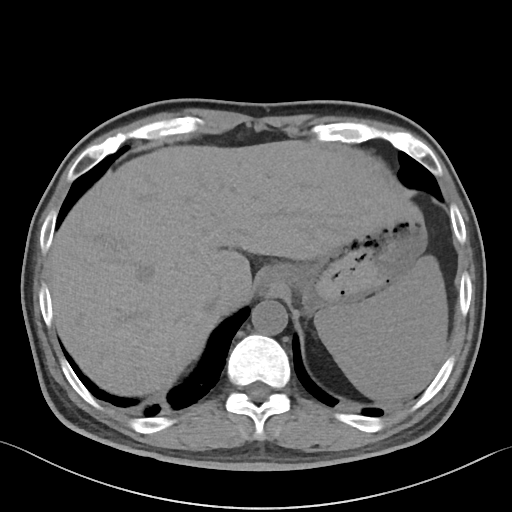

Computed tomography, abdomen · axial view · soft-tissue window (W 400 / L 40) · 512x512 px · acquired on SOMATOM Force
Boxes are (x1, y1, x2, y2) in pixels.
Organ bounding boxes:
- spleen: (314, 255, 447, 400)
- esophagus: (260, 288, 265, 291)
- liver: (48, 140, 430, 400)
- stomach: (259, 215, 426, 314)
- aorta: (252, 300, 287, 334)
- inferior vena cava: (204, 293, 221, 313)